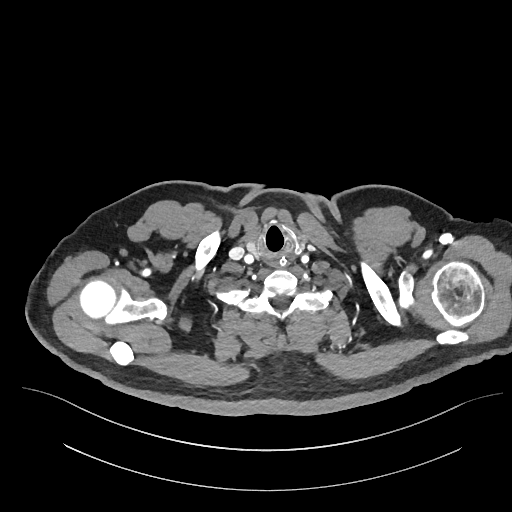
Abdominal CT reaching into the chest; this slice is in the chest · Axial slice 328/333 · scan has 15 labeled organs (that count is for the whole scan; organs this slice misses have no box)
On a slice this high in the chest, this dataset labels only the esophagus and the aorta, and each is boxed only where it is labeled; the heart, lungs and other chest structures are not labeled.
One row per box, in pixels: columns x1 and y1 give the top-left corner, x2 and y2 the bottom-right.
| organ | x1 | y1 | x2 | y2 |
|---|---|---|---|---|
| esophagus | 269 | 256 | 286 | 266 |